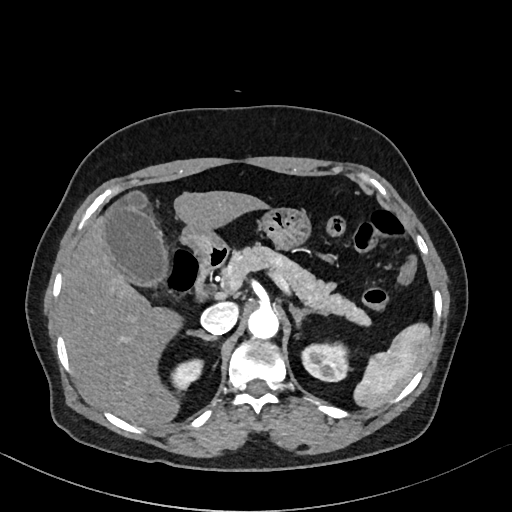

CT, abdomen/pelvis — axial plane, index 162 — W/L 400/40 HU
{"organs":{"aorta":[247,307,279,340],"right adrenal gland":[187,332,216,341],"liver":[60,191,271,426],"duodenum":[194,246,228,301],"right kidney":[173,358,202,387],"pancreas":[223,245,371,327],"inferior vena cava":[201,303,238,335],"left kidney":[303,344,349,381],"gall bladder":[101,193,168,287],"spleen":[352,324,430,409],"stomach":[182,208,311,255],"left adrenal gland":[289,304,328,329]}}